Abdominal CT reaching into the chest; this slice is in the chest — axial view — W/L 400/40 HU — acquired on Brilliance16 — 13 organs annotated in this scan (that count is for the whole scan; organs this slice misses have no box)
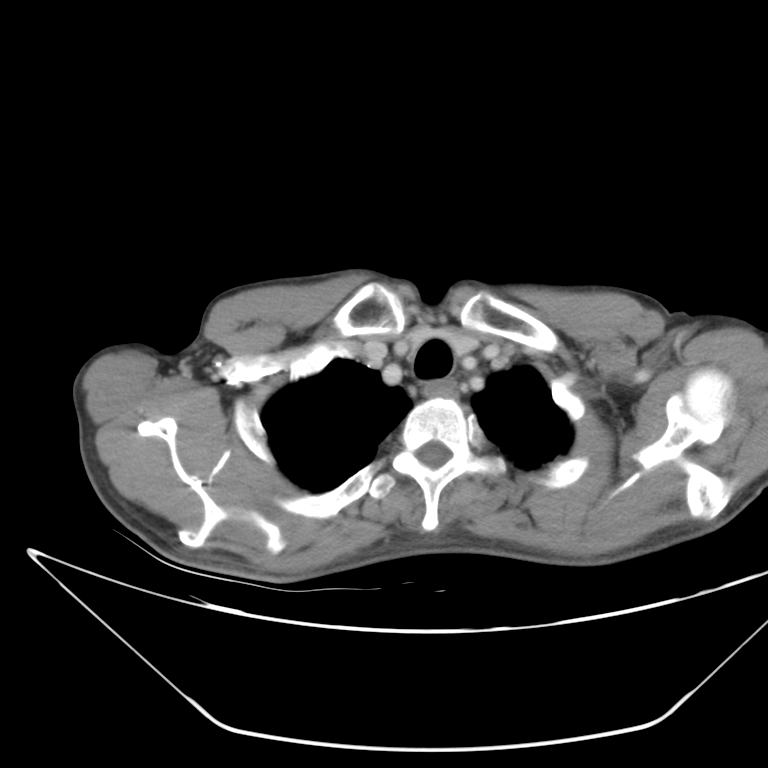 At this level of the chest no structure but the esophagus and the aorta has a label in this dataset, and those two are boxed only where they are labeled.
Boxes are (x1, y1, x2, y2) in pixels.
Organ bounding boxes:
- esophagus: (424, 381, 456, 398)